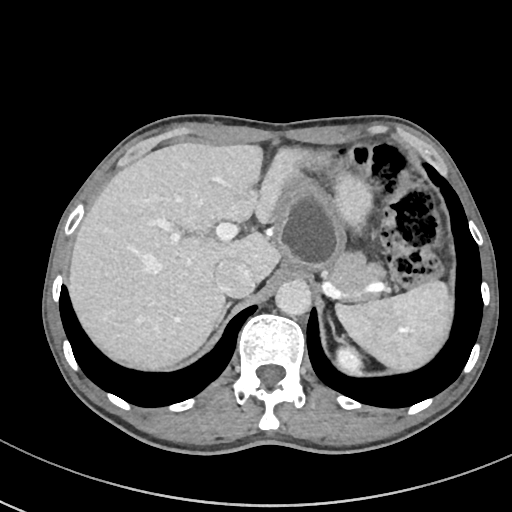

Abdominal CT · axial plane, index 169 · abdomen soft-tissue window
<organs><organ name="spleen" x1="336" y1="280" x2="452" y2="371"/><organ name="left kidney" x1="336" y1="345" x2="362" y2="375"/><organ name="liver" x1="68" y1="142" x2="372" y2="370"/><organ name="stomach" x1="274" y1="174" x2="345" y2="272"/><organ name="aorta" x1="275" y1="279" x2="311" y2="316"/><organ name="inferior vena cava" x1="214" y1="258" x2="255" y2="297"/><organ name="pancreas" x1="330" y1="252" x2="385" y2="303"/><organ name="right adrenal gland" x1="216" y1="302" x2="230" y2="325"/></organs>